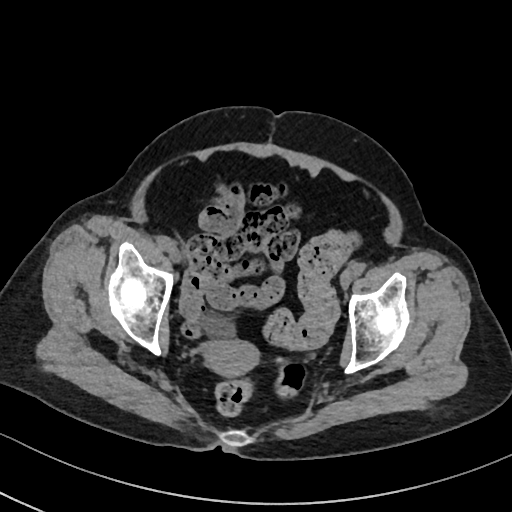

CT abdomen · Axial slice 50/202 · W/L 400/40 HU · 512x512 px · scan has 15 labeled organs (counted over the whole 3D scan, not this slice; an organ is boxed only where this slice passes through it)
Box edges are left/top/right/bottom in pixels.
Organ bounding boxes:
- bladder: left=202, top=310, right=236, bottom=339
- prostate/uterus: left=203, top=340, right=260, bottom=376